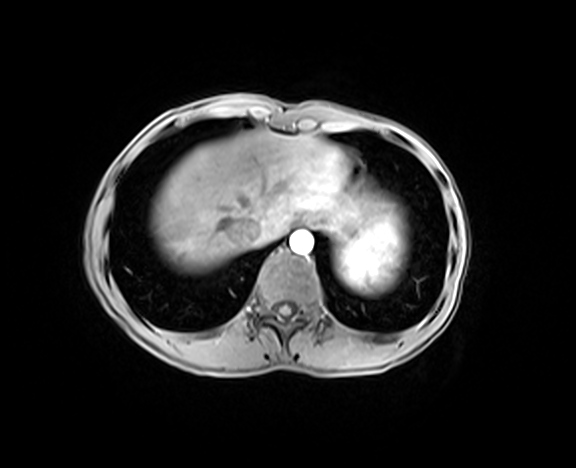
Abdominal MRI · axial view · 1st–99th percentile window
Each box given as x1,y1,x2,y2. Labeled organs on this slice: spleen at x1=338, y1=218, x2=403, y2=289, esophagus at x1=299, y1=216, x2=316, y2=226, liver at x1=151, y1=129, x2=383, y2=271, stomach at x1=315, y1=215, x2=364, y2=249, aorta at x1=290, y1=230, x2=313, y2=254, inferior vena cava at x1=226, y1=219, x2=262, y2=245.